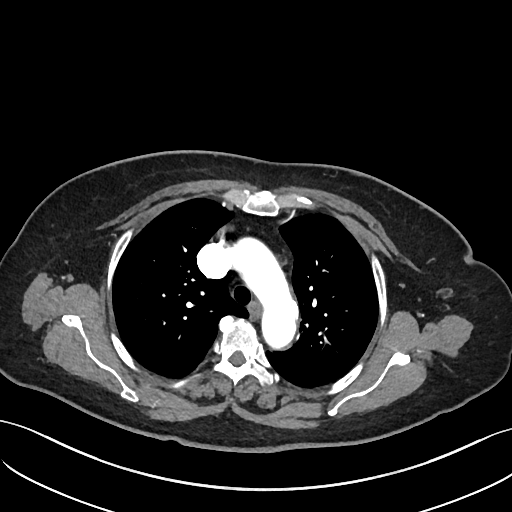

Chest-level slice from an abdominal CT that extends up into the chest; Axial slice 242/276; scan has 15 labeled organs (that count is for the whole scan; organs this slice misses have no box)
At this level of the chest no structure but the esophagus and the aorta has a label in this dataset, and those two are boxed only where they are labeled. Box edges are left/top/right/bottom in pixels. 2 labeled organs on this slice — esophagus at left=248, top=302, right=259, bottom=318; aorta at left=231, top=238, right=298, bottom=347.